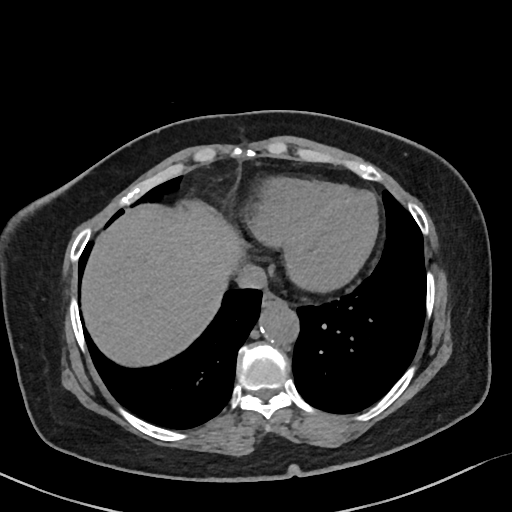 CT, abdomen/pelvis — Axial slice 181/192 — 512x512 px
Bounding boxes in pixels, one row per box: x1, y1 is the top-left corner and x2, y2 the bottom-right.
| organ | x1 | y1 | x2 | y2 |
|---|---|---|---|---|
| liver | 82 | 208 | 243 | 366 |
| esophagus | 261 | 291 | 283 | 308 |
| aorta | 259 | 303 | 298 | 344 |
| inferior vena cava | 236 | 264 | 266 | 289 |